CT abdomen · Axial slice 21/88 · 80-year-old female patient
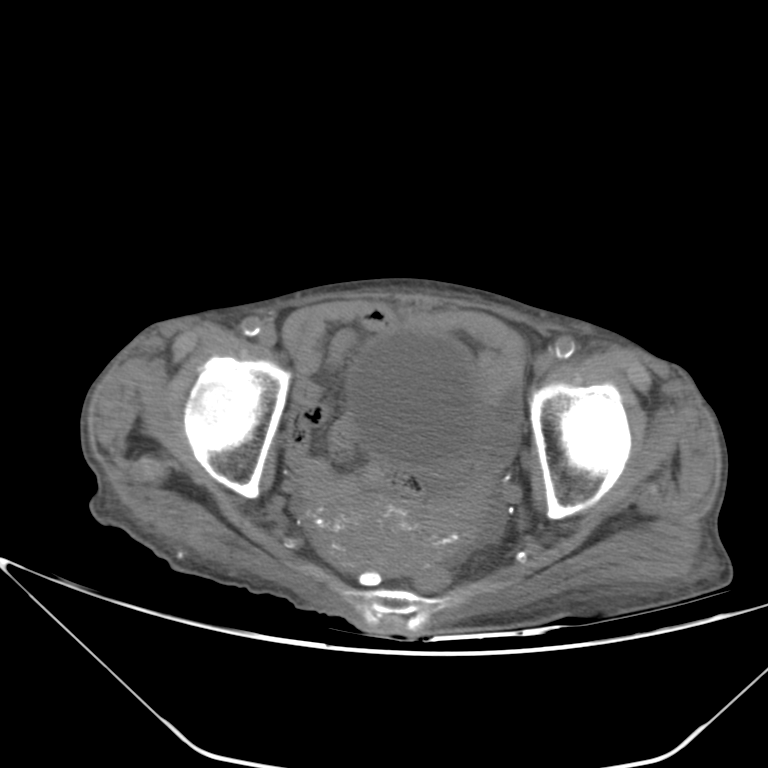
{"organs":{"bladder":[345,328,486,466],"prostate/uterus":[311,492,453,573]}}